CT abdomen; axial view; 512x512 px
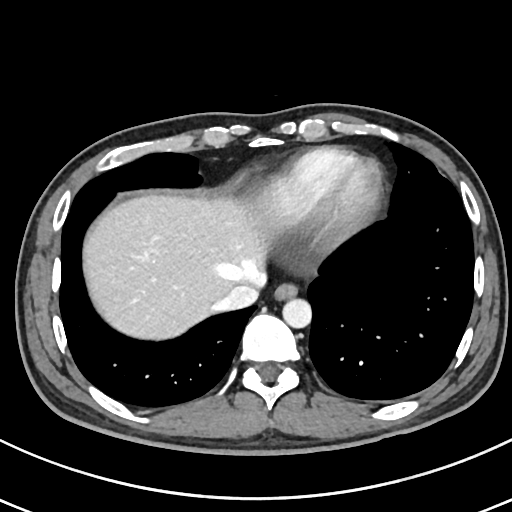 {"organs":{"esophagus":[274,283,297,300],"inferior vena cava":[219,283,265,309],"aorta":[282,299,311,328],"liver":[83,195,267,337]}}